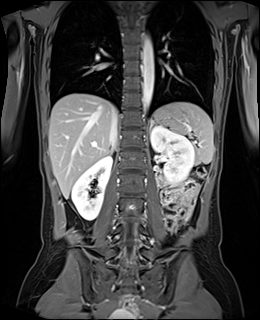
Abdominal MRI; coronal view; percentile-normalized; 260x320 px
Bounding boxes in pixels, one row per box: x1, y1 is the top-left corner and x2, y2 the bottom-right.
| organ | x1 | y1 | x2 | y2 |
|---|---|---|---|---|
| spleen | 157 | 102 | 213 | 164 |
| right kidney | 71 | 155 | 112 | 220 |
| left kidney | 151 | 125 | 194 | 184 |
| liver | 49 | 93 | 113 | 198 |
| stomach | 151 | 111 | 177 | 124 |
| aorta | 143 | 38 | 154 | 111 |
| inferior vena cava | 109 | 107 | 117 | 147 |
| right adrenal gland | 110 | 148 | 112 | 153 |
| left adrenal gland | 150 | 124 | 152 | 129 |